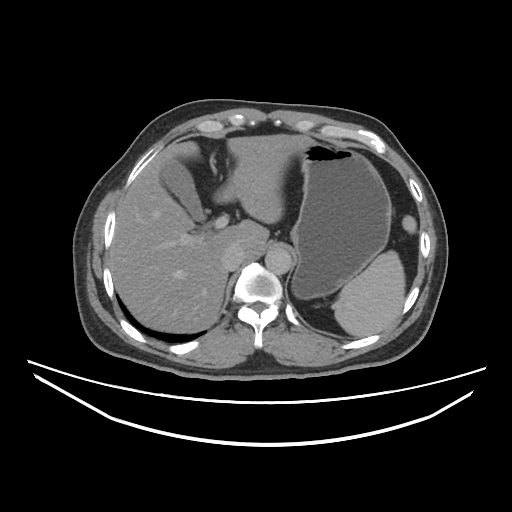

CT, abdomen/pelvis — axial view — 55-year-old male patient
<organs><organ name="spleen" x1="331" y1="252" x2="405" y2="338"/><organ name="gall bladder" x1="162" y1="163" x2="203" y2="220"/><organ name="liver" x1="110" y1="134" x2="314" y2="333"/><organ name="stomach" x1="216" y1="142" x2="392" y2="299"/><organ name="aorta" x1="265" y1="248" x2="292" y2="275"/><organ name="inferior vena cava" x1="221" y1="247" x2="241" y2="270"/></organs>